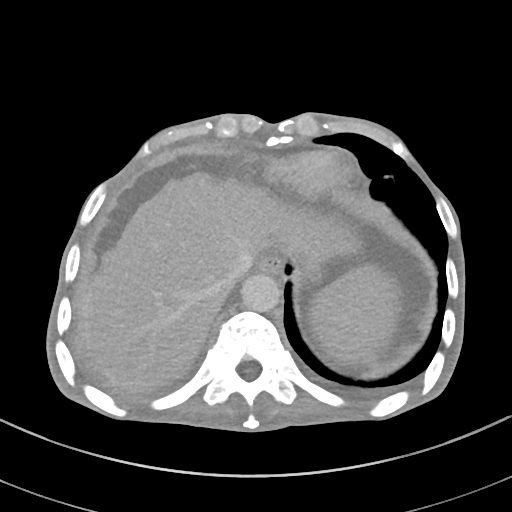 Computed tomography, abdomen; axial view; 512x512 px; acquired on SOMATOM Force
Boxes: x1 y1 x2 y2 (pixel coords, space-separated).
aorta: 241 273 281 312
spleen: 310 264 400 361
esophagus: 258 253 283 274
liver: 84 173 358 389
inferior vena cava: 225 254 253 284